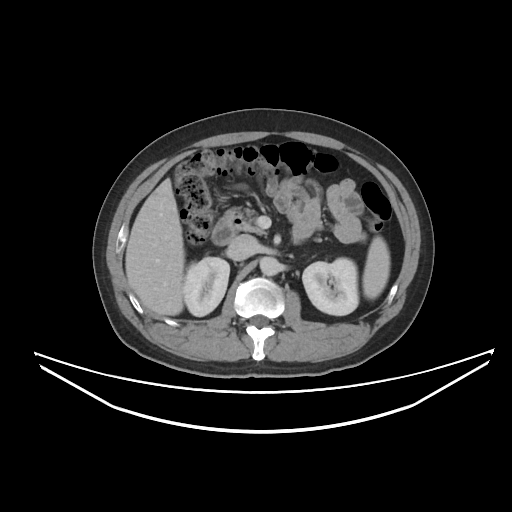

CT, abdomen/pelvis · axial plane, index 63 · soft-tissue window (W 400 / L 40) · 512x512 px · Aquilion ONE scanner
Bounding boxes as [x1, y1, x2, y2] in pixel coordinates.
Organ bounding boxes:
- inferior vena cava: [227, 234, 258, 260]
- liver: [125, 178, 184, 315]
- duodenum: [211, 208, 242, 245]
- aorta: [260, 256, 280, 276]
- right kidney: [183, 257, 229, 316]
- spleen: [362, 236, 389, 299]
- pancreas: [239, 210, 265, 234]
- left kidney: [302, 258, 358, 315]